CT abdomen — axial view — W/L 400/40 HU
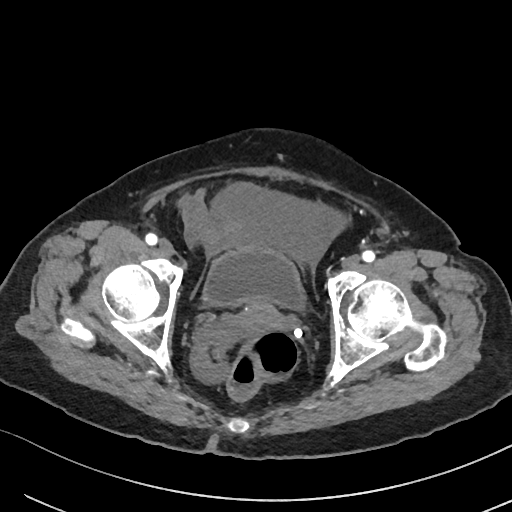

Coordinates as <box>x1,y1,x2,y2</box> in pixels.
prostate/uterus: <box>243,302,279,326</box>
bladder: <box>203,248,305,309</box>